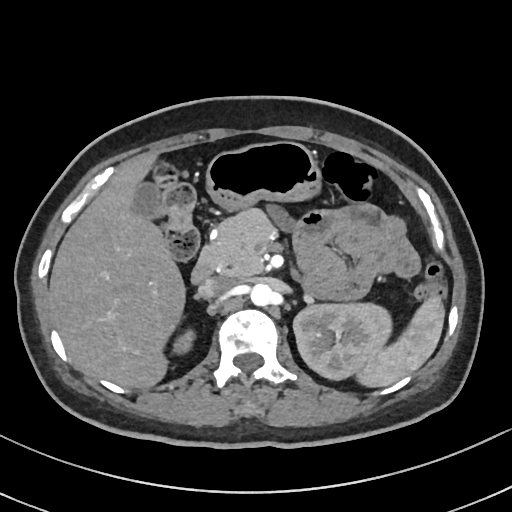

Computed tomography, abdomen · axial view · 512x512 px
{"organs":{"spleen":[356,291,444,386],"right kidney":[176,331,194,353],"left kidney":[293,303,392,378],"gall bladder":[134,182,164,222],"liver":[48,152,186,388],"stomach":[205,141,323,214],"aorta":[248,284,275,306],"inferior vena cava":[198,276,236,299],"pancreas":[206,209,395,304],"duodenum":[191,246,214,284]}}